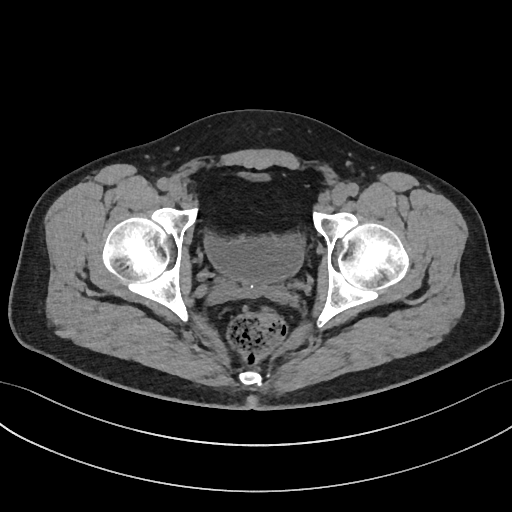

Abdominal CT · axial view · soft-tissue window · 512x512 px
Box edges are left/top/right/bottom in pixels.
Organ bounding boxes:
- bladder: left=204, top=234, right=303, bottom=282